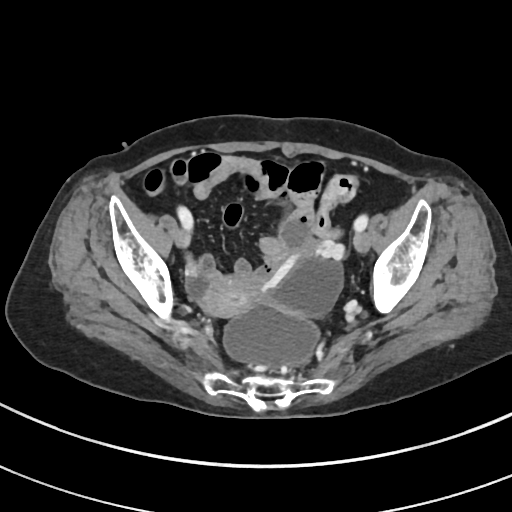
Abdominal CT; axial view
<organs><organ name="prostate/uterus" x1="202" y1="272" x2="262" y2="316"/></organs>